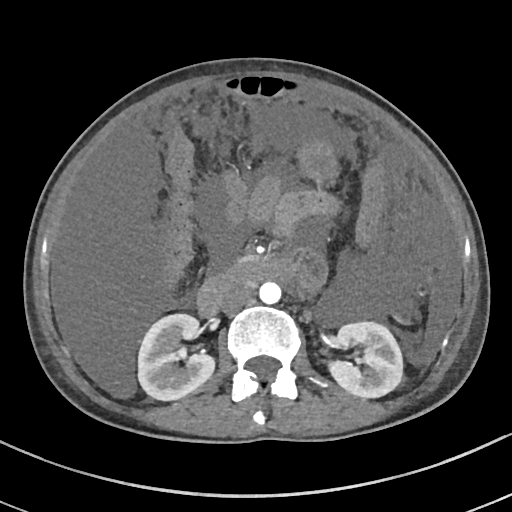

CT, abdomen/pelvis — Axial slice 142/237 — soft-tissue window — 15 organs annotated in this scan (a whole-scan count: organs this slice does not pass through have no box)
<organs><organ name="right kidney" x1="138" y1="313" x2="213" y2="399"/><organ name="left kidney" x1="325" y1="323" x2="402" y2="397"/><organ name="stomach" x1="298" y1="139" x2="338" y2="178"/><organ name="aorta" x1="259" y1="281" x2="281" y2="303"/><organ name="inferior vena cava" x1="220" y1="284" x2="253" y2="312"/><organ name="pancreas" x1="235" y1="254" x2="260" y2="264"/><organ name="duodenum" x1="198" y1="259" x2="285" y2="315"/></organs>